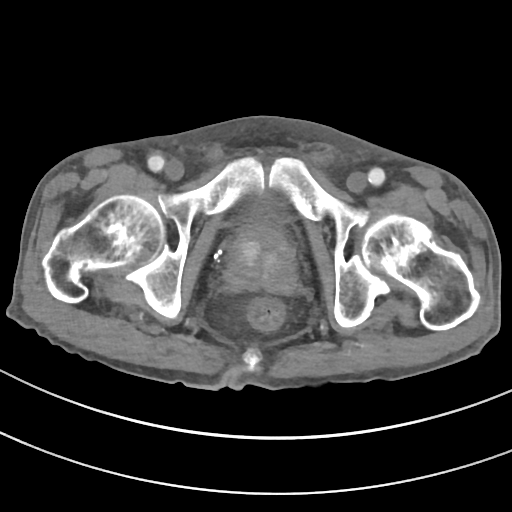
CT abdomen · axial view · 15 organs annotated in this scan (counted over the whole 3D scan, not this slice; an organ is boxed only where this slice passes through it)
Boxes are (x1, y1, x2, y2) in pixels.
Organ bounding boxes:
- bladder: (252, 198, 278, 224)
- prostate/uterus: (228, 224, 294, 289)